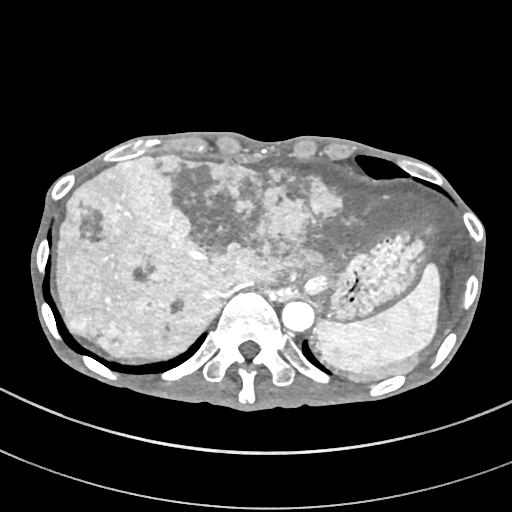

CT, abdomen/pelvis — axial view
{"organs":{"stomach":[302,231,433,319],"aorta":[282,301,314,332],"inferior vena cava":[220,282,253,297],"spleen":[314,262,439,371],"liver":[55,155,446,384]}}